Abdominal CT reaching into the chest; this slice is in the chest · axial plane, index 102 · W/L 400/40 HU · 15 organs annotated in this scan (counted over the whole 3D scan, not this slice; an organ is boxed only where this slice passes through it)
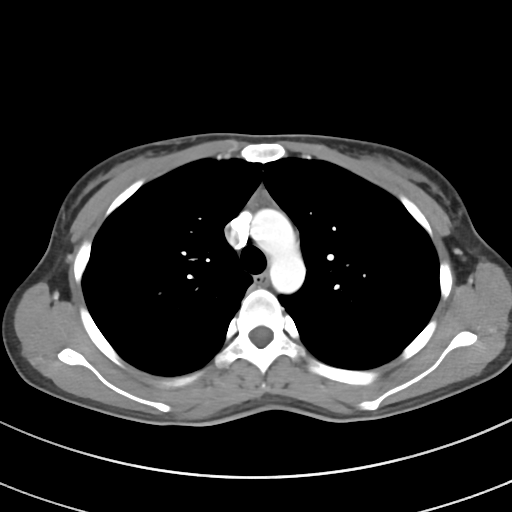
At this level of the chest no structure but the esophagus and the aorta has a label in this dataset, and those two are boxed only where they are labeled. Box edges are left/top/right/bottom in pixels. 2 labeled organs on this slice — esophagus at left=254, top=273, right=267, bottom=284; aorta at left=250, top=208, right=305, bottom=293.